Chest-level slice from an abdominal CT that extends up into the chest; axial view; 512x512 px; 61-year-old male patient; scan has 14 labeled organs (that count is for the whole scan; organs this slice misses have no box)
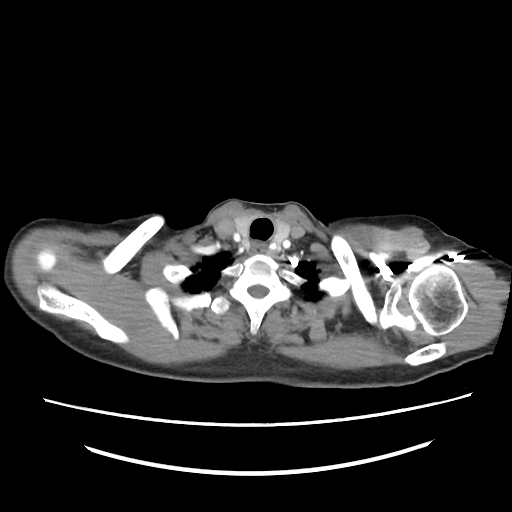
At this level of the chest this dataset labels only the esophagus and the aorta, and each is boxed only where it is labeled; the heart and lungs are never labeled.
Bounding boxes in pixels, one row per box: x1, y1 is the top-left corner and x2, y2 the bottom-right.
| organ | x1 | y1 | x2 | y2 |
|---|---|---|---|---|
| esophagus | 250 | 240 | 267 | 253 |